Abdominal CT; axial view; abdomen soft-tissue window; 512x512 px; 61-year-old female patient
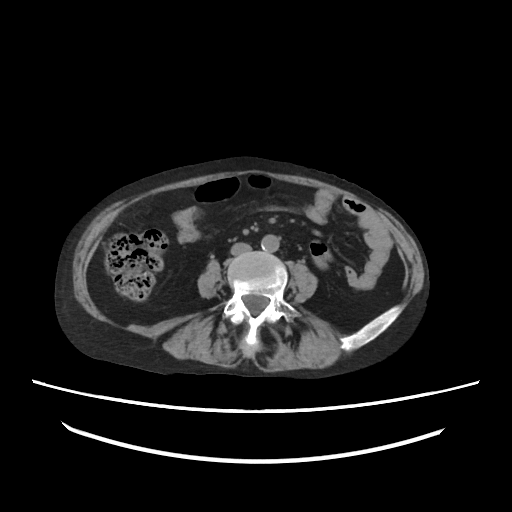

Each box given as x1,y1,x2,y2.
Organ bounding boxes:
- aorta: x1=261, y1=234, x2=279, y2=252
- inferior vena cava: x1=230, y1=242, x2=251, y2=255